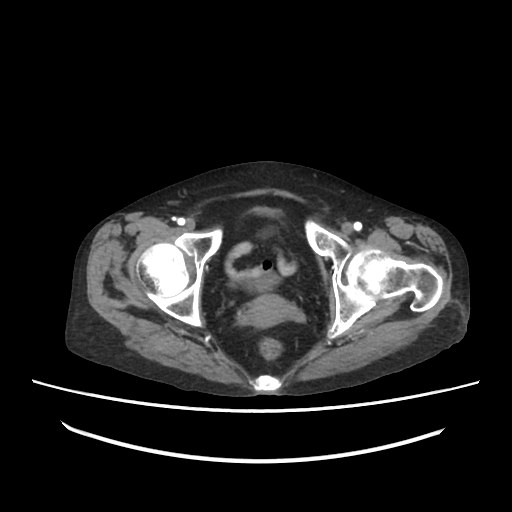 CT abdomen — axial view — 61-year-old female patient
Bounding boxes as [x1, y1, x2, y2] in pixel coordinates.
prostate/uterus: [239, 295, 301, 326]